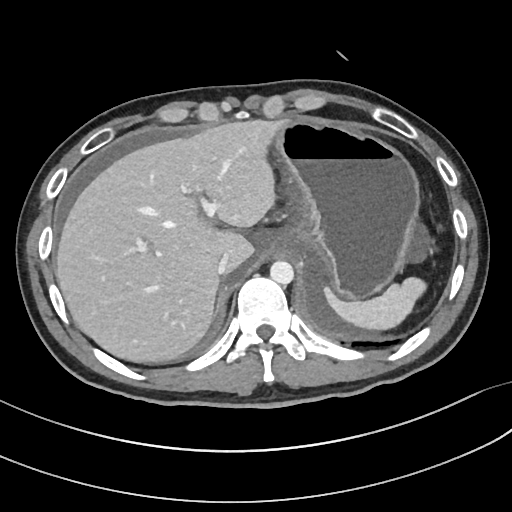

CT abdomen. axial view. acquired on SOMATOM Force. 15 organs annotated in this scan (counted over the whole 3D scan, not this slice; an organ is boxed only where this slice passes through it)
{"organs":{"spleen":[324,277,426,330],"inferior vena cava":[217,253,230,274],"aorta":[270,261,293,284],"liver":[55,120,283,362],"stomach":[272,119,419,300]}}